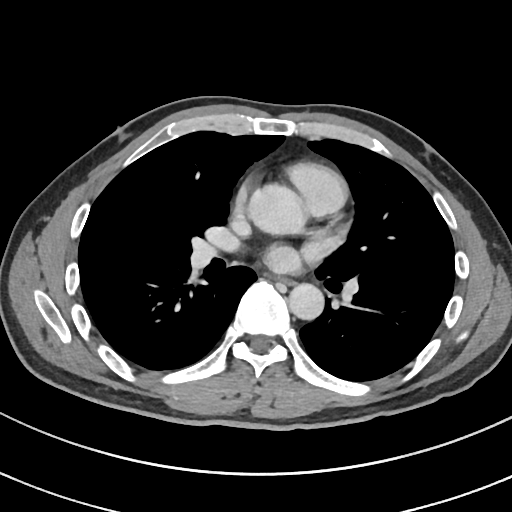 CT of the abdomen extending into the chest, slice through the chest; axial plane, index 214; 512x512 px; acquired on SOMATOM Force
At this level of the chest this dataset labels only the esophagus and the aorta, and each is boxed only where it is labeled; the heart and lungs are never labeled.
<organs><organ name="esophagus" x1="277" y1="277" x2="291" y2="284"/><organ name="aorta" x1="250" y1="185" x2="302" y2="234"/><organ name="aorta" x1="288" y1="283" x2="324" y2="320"/></organs>